Abdominal CT — axial plane, index 167 — W/L 400/40 HU
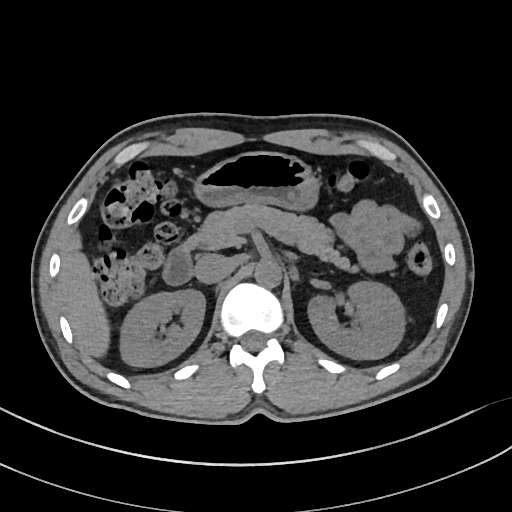 Boxes are (x1, y1, x2, y2) in pixels.
Organ bounding boxes:
- right kidney: (121, 289, 204, 366)
- left kidney: (308, 281, 405, 359)
- liver: (60, 245, 109, 354)
- stomach: (196, 151, 317, 208)
- aorta: (254, 258, 281, 287)
- inferior vena cava: (194, 253, 233, 283)
- pancreas: (180, 203, 349, 268)
- duodenum: (162, 245, 191, 285)